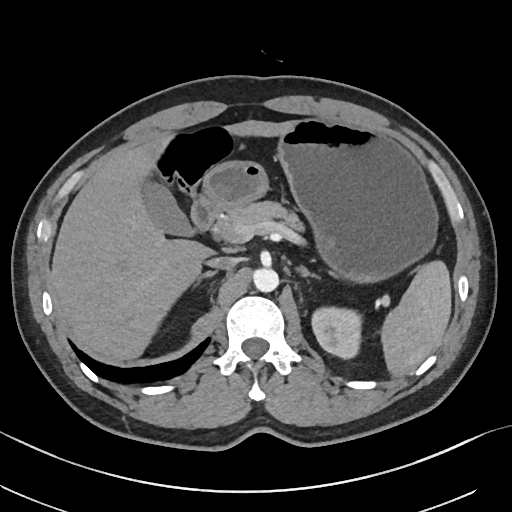 CT, abdomen/pelvis — axial view — soft-tissue window (W 400 / L 40) — 15 organs annotated in this scan (that count is for the whole scan; organs this slice misses have no box)
<organs><organ name="spleen" x1="382" y1="261" x2="451" y2="374"/><organ name="left kidney" x1="310" y1="305" x2="361" y2="359"/><organ name="gall bladder" x1="142" y1="181" x2="192" y2="235"/><organ name="liver" x1="52" y1="120" x2="291" y2="359"/><organ name="stomach" x1="203" y1="118" x2="436" y2="280"/><organ name="aorta" x1="253" y1="268" x2="278" y2="292"/><organ name="inferior vena cava" x1="205" y1="257" x2="236" y2="270"/><organ name="pancreas" x1="211" y1="200" x2="304" y2="236"/><organ name="right adrenal gland" x1="194" y1="270" x2="215" y2="280"/><organ name="left adrenal gland" x1="299" y1="264" x2="318" y2="276"/><organ name="duodenum" x1="190" y1="197" x2="217" y2="232"/></organs>